Abdominal CT. axial view. 512x512 px. scan has 15 labeled organs (a whole-scan count: organs this slice does not pass through have no box)
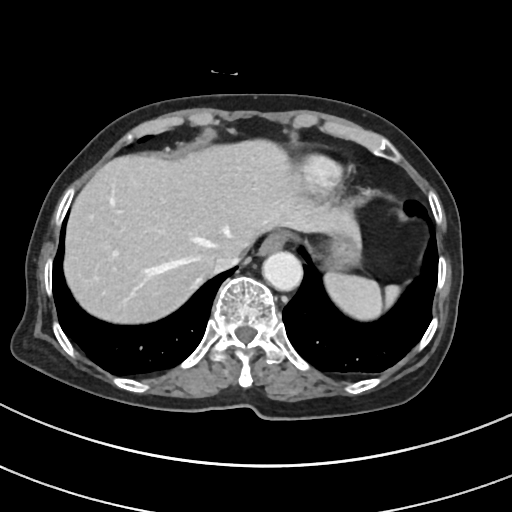
Boxes: x1 y1 x2 y2 (pixel coords, space-separated).
esophagus: 260 230 292 253
stomach: 323 235 359 269
liver: 62 142 360 322
spleen: 322 273 400 319
inferior vena cava: 212 255 241 273
aorta: 262 251 301 290